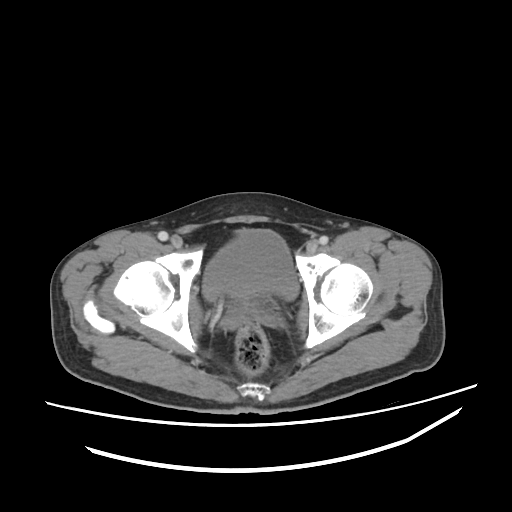
Abdominal CT · axial view · 49-year-old male patient · 15 organs annotated in this scan (a whole-scan count: organs this slice does not pass through have no box)
Each box given as x1,y1,x2,y2.
prostate/uterus: x1=231, y1=286, x2=264, y2=302
bladder: x1=203, y1=230, x2=298, y2=299